CT, abdomen/pelvis · axial plane, index 13 · 768x768 px · 39-year-old male patient
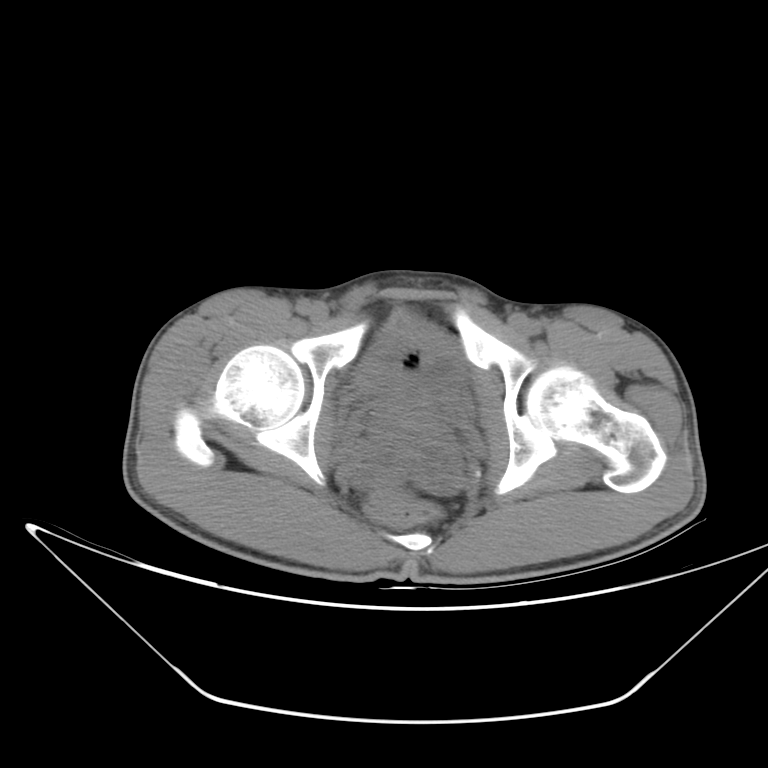
{"organs":{"bladder":[350,310,464,403],"prostate/uterus":[368,389,439,439]}}